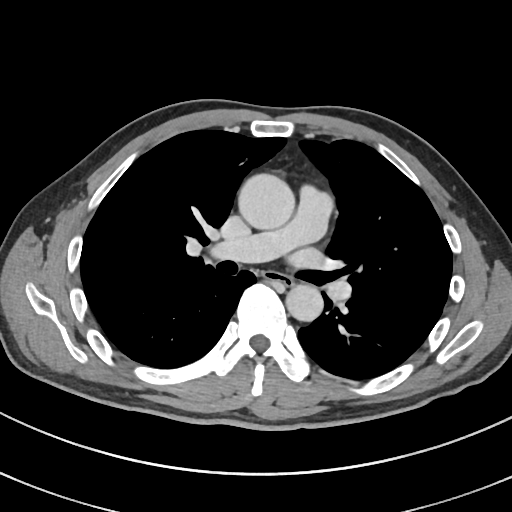
Chest-level CT slice, above the liver and spleen — axial view — W/L 400/40 HU
On a slice this high in the chest, this dataset labels only the esophagus and the aorta, and each is boxed only where it is labeled; the heart, lungs and other chest structures are not labeled.
Boxes are (x1, y1, x2, y2) in pixels.
Organ bounding boxes:
- esophagus: (265, 271, 294, 286)
- aorta: (239, 174, 295, 230)
- aorta: (286, 284, 323, 321)